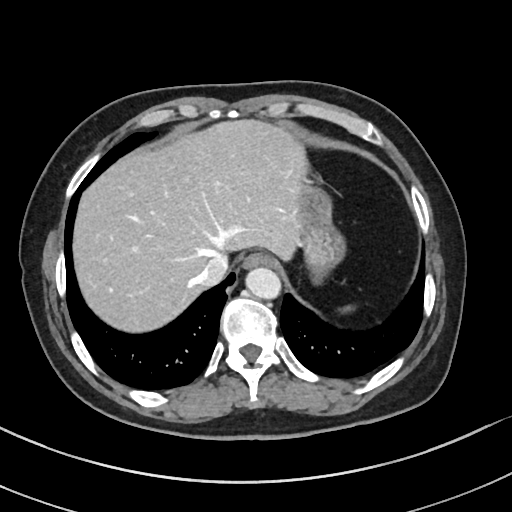 Abdominal CT. Axial slice 210/314. 512x512 px. acquired on SOMATOM Force
<organs><organ name="stomach" x1="300" y1="186" x2="343" y2="274"/><organ name="liver" x1="75" y1="122" x2="308" y2="332"/><organ name="esophagus" x1="242" y1="253" x2="271" y2="270"/><organ name="inferior vena cava" x1="194" y1="250" x2="230" y2="286"/><organ name="aorta" x1="247" y1="268" x2="282" y2="300"/></organs>